Abdominal CT · axial view
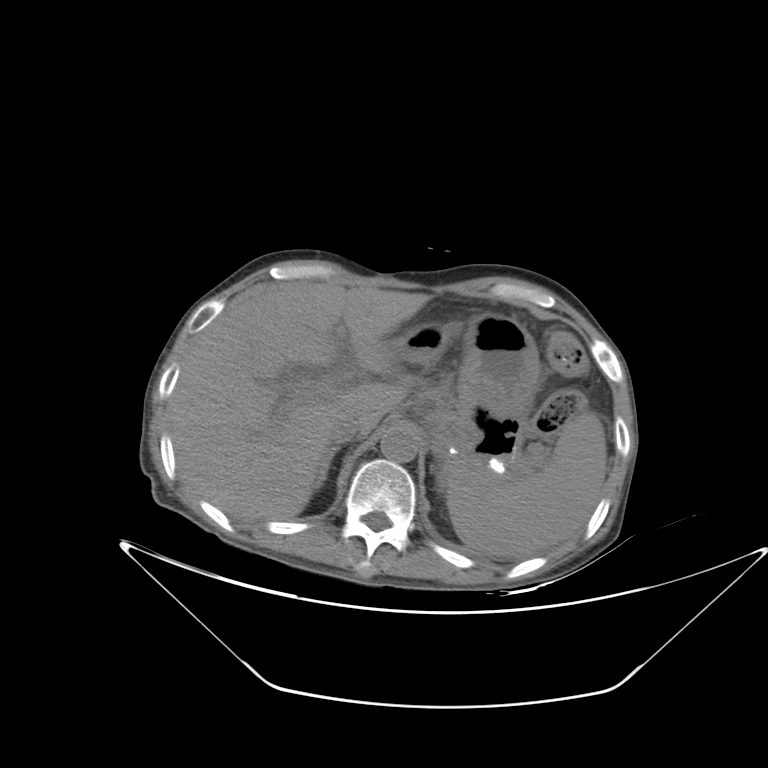

Boxes are (x1, y1, x2, y2) in pixels.
Organ bounding boxes:
- spleen: (446, 411, 606, 557)
- liver: (169, 282, 431, 519)
- stomach: (388, 313, 540, 469)
- aorta: (380, 427, 418, 462)
- inferior vena cava: (327, 415, 360, 444)
- right adrenal gland: (320, 447, 339, 484)